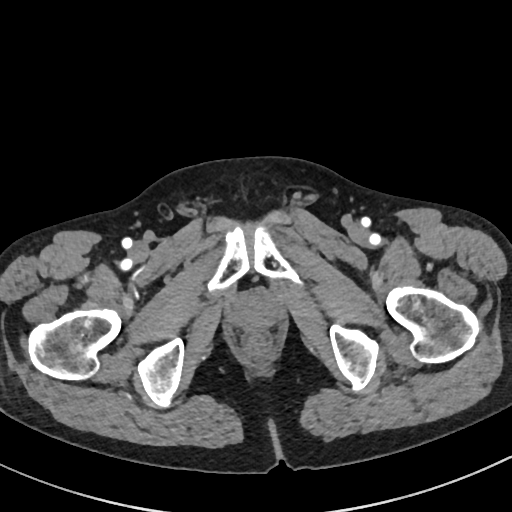
Computed tomography, abdomen. Axial slice 20/303
{"organs":{"prostate/uterus":[235,295,274,329]}}